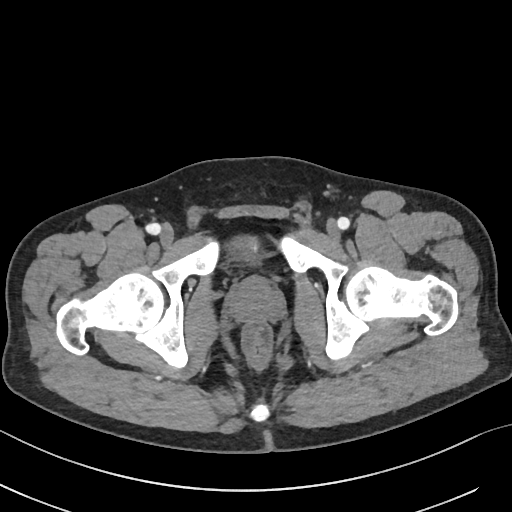
CT abdomen — axial view — soft-tissue window (W 400 / L 40) — 512x512 px — acquired on SOMATOM Force
Boxes: x1:y1:x2:y2 in pixels. Labeled organs on this slice: bladder at 231:238:257:260, prostate/uterus at 230:277:281:321.